Chest-level slice from an abdominal CT that extends up into the chest · axial view · soft-tissue window (W 400 / L 40) · 512x512 px
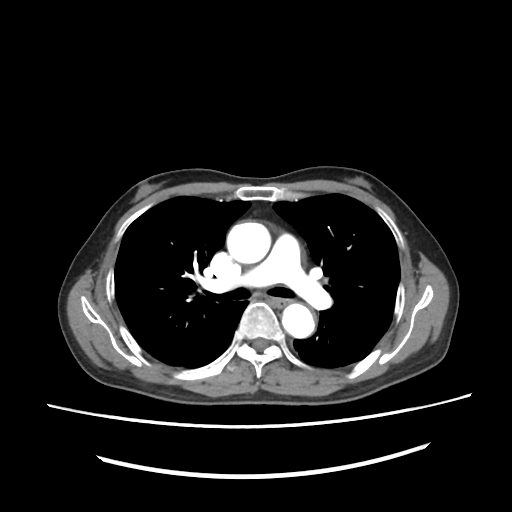

At this level of the chest no structure but the esophagus and the aorta has a label in this dataset, and those two are boxed only where they are labeled. Boxes: x1 y1 x2 y2 (pixel coords, space-separated). The annotated organs in this slice are: aorta at 228 222 272 265, aorta at 280 301 315 339, esophagus at 272 297 286 308.